Chest-level slice from an abdominal CT that extends up into the chest — Axial slice 116/118 — soft-tissue window — Aquilion ONE scanner
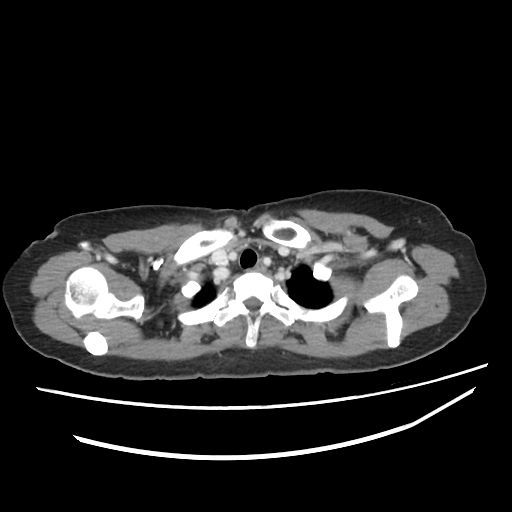

At this level of the chest no structure but the esophagus and the aorta has a label in this dataset, and those two are boxed only where they are labeled.
Box edges are left/top/right/bottom in pixels.
esophagus: left=255, top=260, right=267, bottom=271